CT of the abdomen extending into the chest, slice through the chest; axial view; W/L 400/40 HU
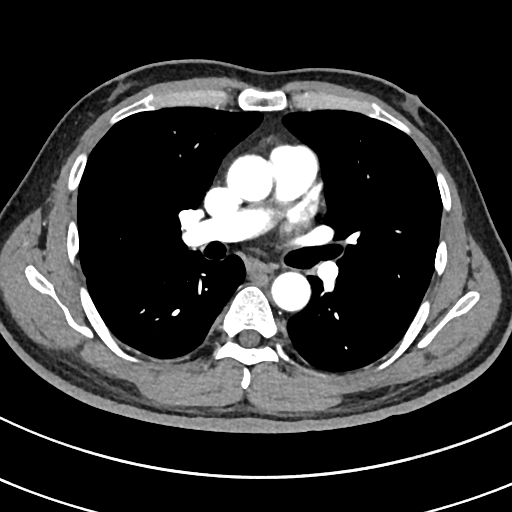
At this level of the chest this dataset labels only the esophagus and the aorta, and each is boxed only where it is labeled; the heart and lungs are never labeled.
Each box given as x1,y1,x2,y2.
aorta: x1=226, y1=155, x2=272, y2=201
aorta: x1=271, y1=272, x2=310, y2=311
esophagus: x1=250, y1=261, x2=272, y2=273